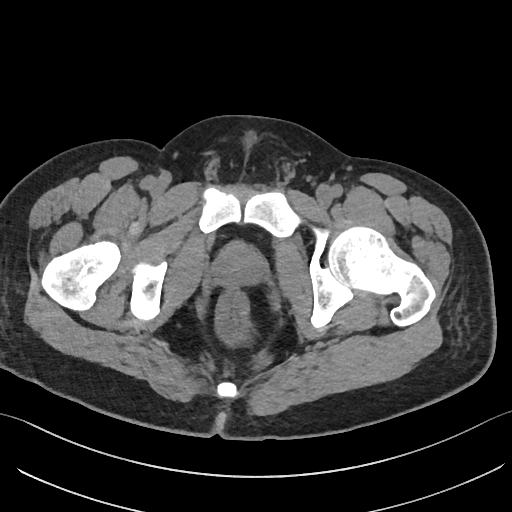 CT abdomen — Axial slice 14/234 — 512x512 px — scan has 15 labeled organs (a whole-scan count: organs this slice does not pass through have no box)
Boxes are (x1, y1, x2, y2) in pixels. 1 labeled organ on this slice — prostate/uterus at (215, 243, 262, 285).